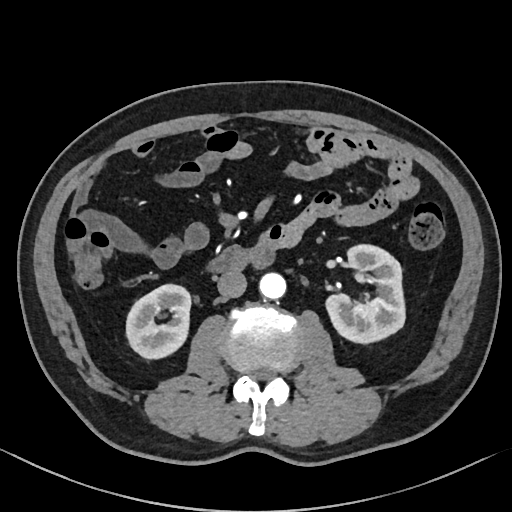

Abdominal CT. axial view. soft-tissue window. 512x512 px
Coordinates as <box>x1,y1,x2,y2</box> in pixels.
Organ bounding boxes:
- right kidney: <box>126,285,190,357</box>
- left kidney: <box>327,243,405,342</box>
- aorta: <box>259,272,285,300</box>
- inferior vena cava: <box>217,270,246,298</box>
- duodenum: <box>212,244,275,271</box>